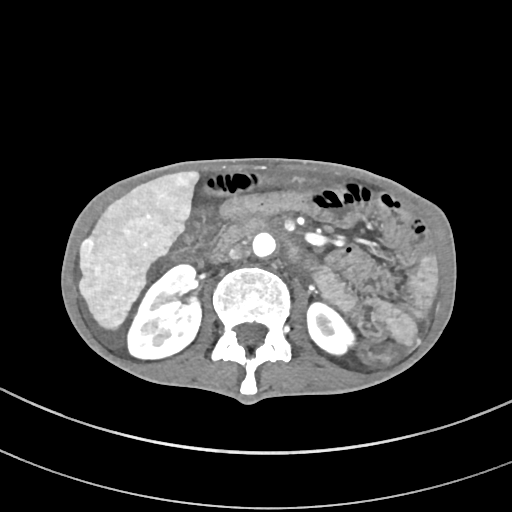
CT, abdomen/pelvis — axial view — W/L 400/40 HU — 512x512 px — acquired on SOMATOM Force
Boxes are (x1, y1, x2, y2) in pixels.
right kidney: (128, 264, 200, 360)
left kidney: (306, 301, 355, 356)
liver: (79, 171, 199, 332)
aorta: (252, 231, 278, 257)
inferior vena cava: (228, 245, 248, 259)
duodenum: (237, 215, 303, 263)